Chest-level CT slice, above the liver and spleen; axial view; 512x512 px; SOMATOM Force scanner
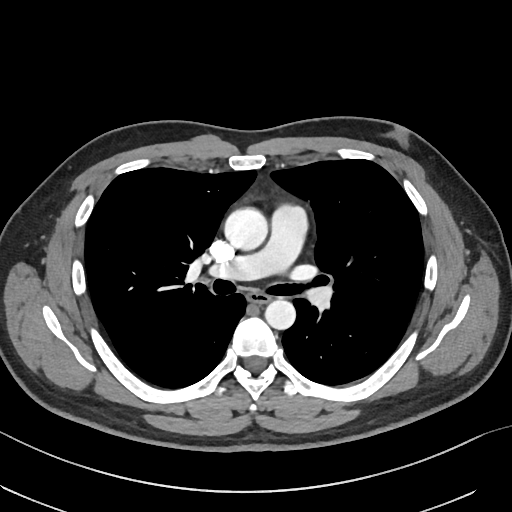
At this level of the chest no structure but the esophagus and the aorta has a label in this dataset, and those two are boxed only where they are labeled.
Organ boxes in pixel coordinates; each row gives the top-left (x1, y1) and bottom-right (x2, y2) corners.
| organ | x1 | y1 | x2 | y2 |
|---|---|---|---|---|
| esophagus | 248 | 291 | 270 | 303 |
| aorta | 224 | 207 | 267 | 250 |
| aorta | 265 | 299 | 295 | 329 |